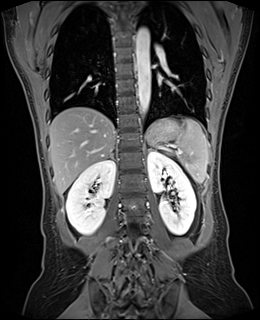
MRI, abdomen; coronal acquisition; scan has 13 labeled organs (a whole-scan count: organs this slice does not pass through have no box)
Organ boxes in pixel coordinates; each row gives the top-left (x1, y1) and bottom-right (x2, y2) corners.
| organ | x1 | y1 | x2 | y2 |
|---|---|---|---|---|
| aorta | 136 | 27 | 150 | 116 |
| right adrenal gland | 110 | 152 | 114 | 158 |
| spleen | 146 | 119 | 208 | 182 |
| left kidney | 148 | 151 | 196 | 235 |
| right kidney | 66 | 160 | 115 | 234 |
| left adrenal gland | 147 | 148 | 157 | 152 |
| stomach | 149 | 118 | 181 | 140 |
| liver | 49 | 107 | 114 | 194 |